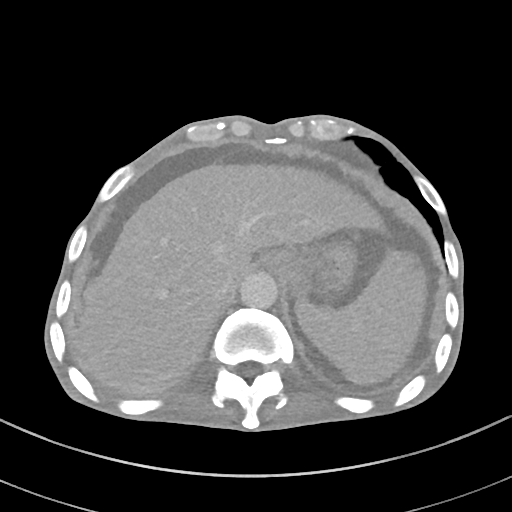 CT, abdomen/pelvis; axial view; soft-tissue window
One row per box, in pixels: columns x1 and y1 give the top-left corner, x2 and y2 the bottom-right.
| organ | x1 | y1 | x2 | y2 |
|---|---|---|---|---|
| aorta | 239 | 271 | 277 | 308 |
| inferior vena cava | 223 | 276 | 237 | 291 |
| liver | 83 | 164 | 380 | 395 |
| spleen | 296 | 251 | 426 | 383 |
| stomach | 272 | 243 | 355 | 295 |
| esophagus | 264 | 254 | 275 | 268 |